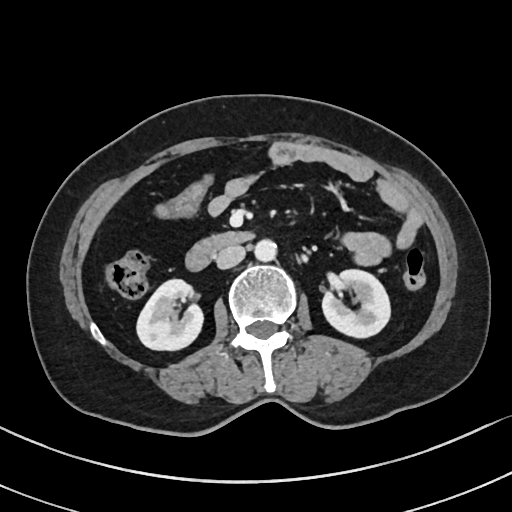

Abdominal CT · axial view · 512x512 px
Box edges are left/top/right/bottom in pixels.
left kidney: left=322, top=270, right=389, bottom=336
aorta: left=255, top=239, right=277, bottom=260
inferior vena cava: left=216, top=245, right=246, bottom=268
duodenum: left=186, top=231, right=253, bottom=269
right kidney: left=137, top=279, right=203, bottom=349